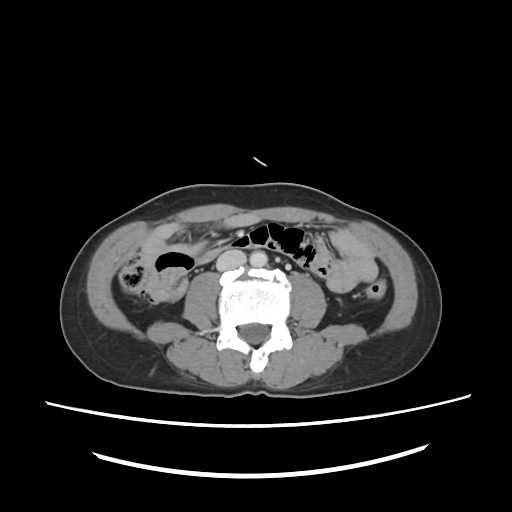 CT abdomen; axial plane, index 47; 512x512 px; 45-year-old male patient
Boxes: x1:y1:x2:y2 in pixels.
Organ bounding boxes:
- aorta: 249:251:267:266
- inferior vena cava: 217:249:246:271